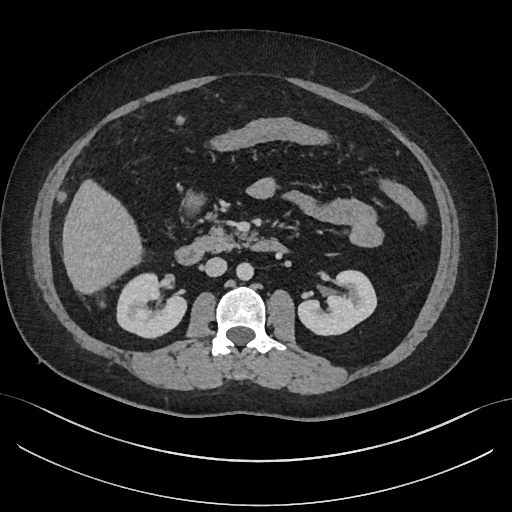 Abdominal CT. axial view. soft-tissue window (W 400 / L 40)
Boxes: x1:y1:x2:y2 in pixels. Labeled organs on this slice: liver at 62:179:142:294, pancreas at 197:225:245:252, duodenum at 175:240:285:265, aorta at 236:262:253:280, right kidney at 117:273:186:337, stomach at 184:192:203:211, left kidney at 298:270:376:335, inferior vena cava at 204:257:226:276.